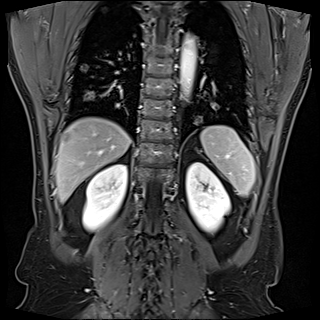 MRI, abdomen — Coronal slice 13/60 — 1st–99th percentile window
Bounding boxes in pixels, one row per box: x1, y1 is the top-left corner and x2, y2 the bottom-right.
| organ | x1 | y1 | x2 | y2 |
|---|---|---|---|---|
| spleen | 200 | 125 | 255 | 196 |
| right kidney | 83 | 164 | 127 | 230 |
| left kidney | 186 | 163 | 231 | 232 |
| liver | 55 | 117 | 131 | 201 |
| aorta | 180 | 35 | 196 | 96 |